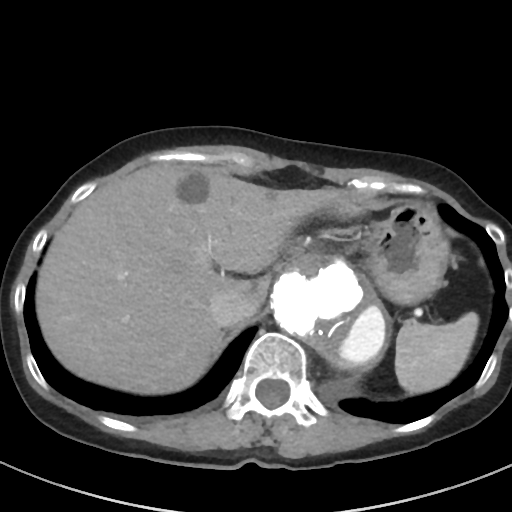

Computed tomography, abdomen; axial view; W/L 400/40 HU; 512x512 px; 15 organs annotated in this scan (counted over the whole 3D scan, not this slice; an organ is boxed only where this slice passes through it)
One row per box, in pixels: columns x1 and y1 give the top-left corner, x2 and y2 the bottom-right.
| organ | x1 | y1 | x2 | y2 |
|---|---|---|---|---|
| spleen | 395 | 312 | 478 | 393 |
| liver | 36 | 164 | 341 | 394 |
| stomach | 364 | 201 | 449 | 304 |
| aorta | 269 | 251 | 391 | 367 |
| inferior vena cava | 210 | 289 | 259 | 326 |